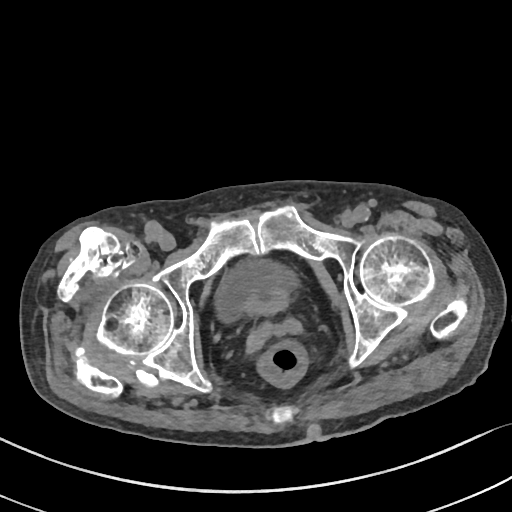
Abdominal CT. axial view. soft-tissue window (W 400 / L 40). 512x512 px
Bounding boxes as [x1, y1, x2, y2] in pixel coordinates. The annotated organs in this slice are: bladder at [215, 261, 295, 319], prostate/uterus at [247, 288, 288, 314].